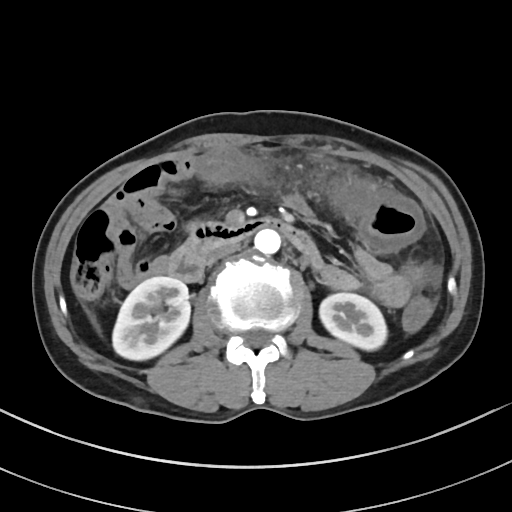
CT abdomen — Axial slice 55/89 — 512x512 px — 15 organs annotated in this scan (a whole-scan count: organs this slice does not pass through have no box)
<organs><organ name="inferior vena cava" x1="207" y1="243" x2="239" y2="263"/><organ name="left kidney" x1="319" y1="293" x2="387" y2="350"/><organ name="aorta" x1="254" y1="229" x2="280" y2="254"/><organ name="duodenum" x1="165" y1="219" x2="318" y2="282"/><organ name="right kidney" x1="112" y1="276" x2="190" y2="360"/></organs>